Computed tomography, abdomen. axial view
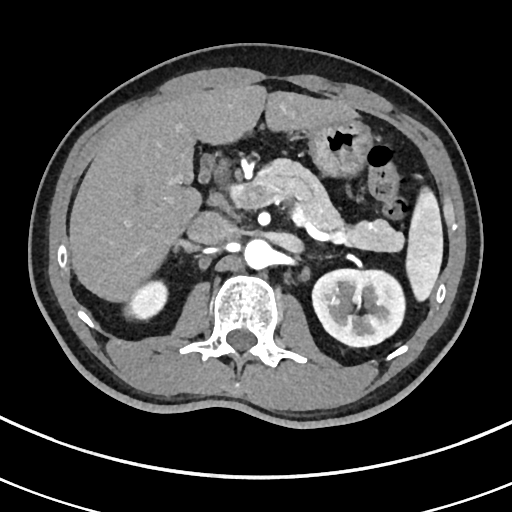
Bounding boxes as [x1, y1, x2, y2] in pixel coordinates. The annotated organs in this slice are: pancreas at [248, 157, 403, 251], duodenum at [216, 160, 227, 180], left kidney at [311, 269, 406, 347], liver at [69, 84, 354, 299], spleen at [407, 188, 442, 301], stomach at [286, 118, 370, 174], aorta at [243, 238, 272, 268], inferior vena cava at [186, 212, 232, 245], right adrenal gland at [172, 240, 198, 253], gall bladder at [199, 164, 210, 182], right kidney at [126, 280, 167, 318].